Abdominal CT — axial view — soft-tissue window — 512x512 px — acquired on Aquilion ONE
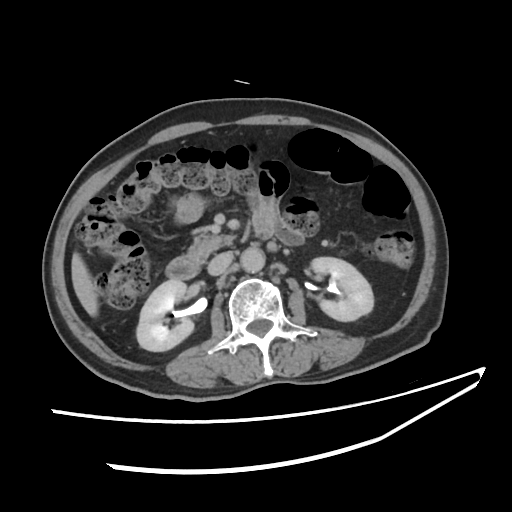
<organs><organ name="right kidney" x1="136" y1="280" x2="192" y2="350"/><organ name="pancreas" x1="193" y1="232" x2="235" y2="249"/><organ name="duodenum" x1="165" y1="214" x2="273" y2="279"/><organ name="inferior vena cava" x1="209" y1="252" x2="233" y2="274"/><organ name="left kidney" x1="310" y1="257" x2="373" y2="322"/><organ name="aorta" x1="241" y1="248" x2="265" y2="272"/><organ name="liver" x1="71" y1="252" x2="98" y2="316"/></organs>